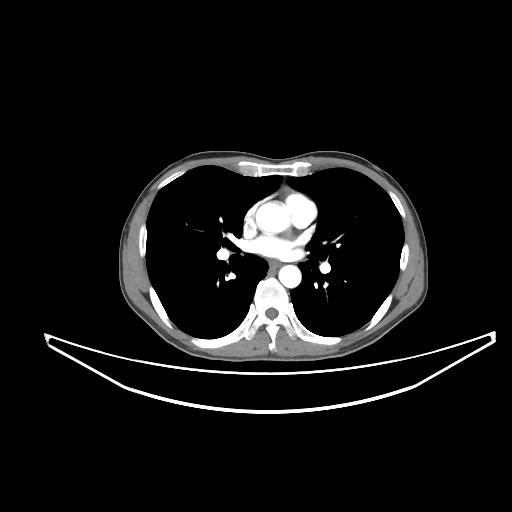
CT of the abdomen extending into the chest, slice through the chest · axial view · soft-tissue window · 512x512 px · scan has 15 labeled organs (counted over the whole 3D scan, not this slice; an organ is boxed only where this slice passes through it)
On a slice this high in the chest, this dataset labels only the esophagus and the aorta, and each is boxed only where it is labeled; the heart, lungs and other chest structures are not labeled.
{"organs":{"esophagus":[269,260,281,267],"aorta":[[256,202,289,232],[278,265,301,287]]}}